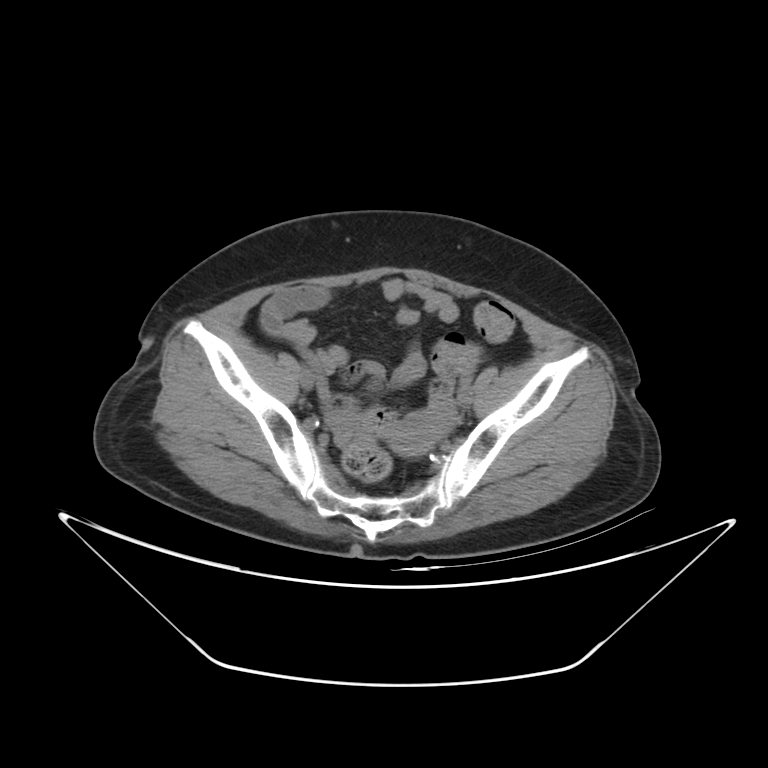 Abdominal CT. Axial slice 25/93. 66-year-old female patient
{"organs":{"prostate/uterus":[392,413,446,455]}}